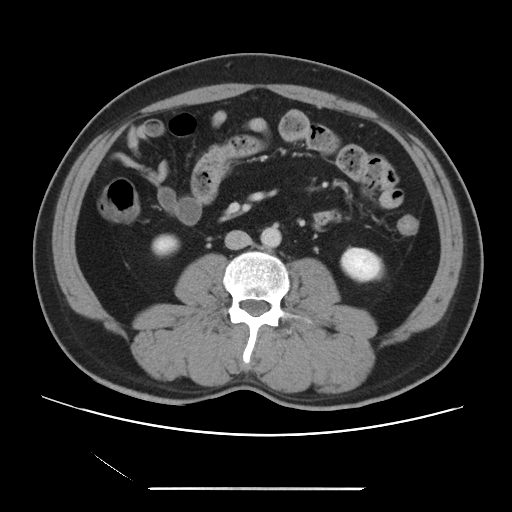

Abdominal CT — axial view
Boxes are (x1, y1, x2, y2) in pixels.
Organ bounding boxes:
- right kidney: (152, 235, 177, 255)
- aorta: (260, 226, 281, 247)
- inferior vena cava: (225, 230, 251, 249)
- left kidney: (341, 248, 382, 280)